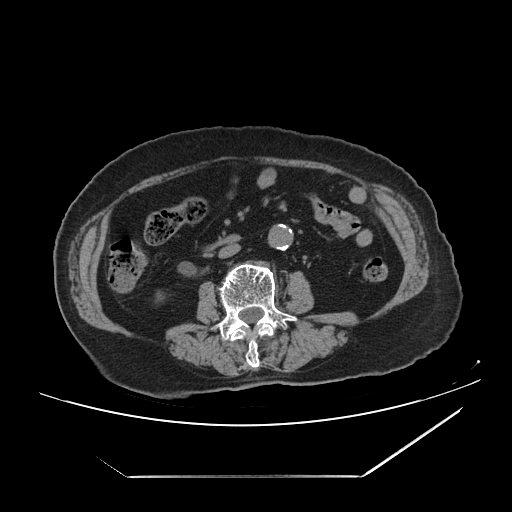 CT, abdomen/pelvis · axial plane, index 93 · 512x512 px · SOMATOM Force scanner
<organs><organ name="aorta" x1="267" y1="225" x2="292" y2="250"/><organ name="duodenum" x1="197" y1="233" x2="242" y2="254"/><organ name="left kidney" x1="322" y1="277" x2="330" y2="283"/><organ name="inferior vena cava" x1="217" y1="244" x2="239" y2="258"/><organ name="right kidney" x1="151" y1="287" x2="171" y2="310"/></organs>